CT abdomen. axial view. 768x768 px
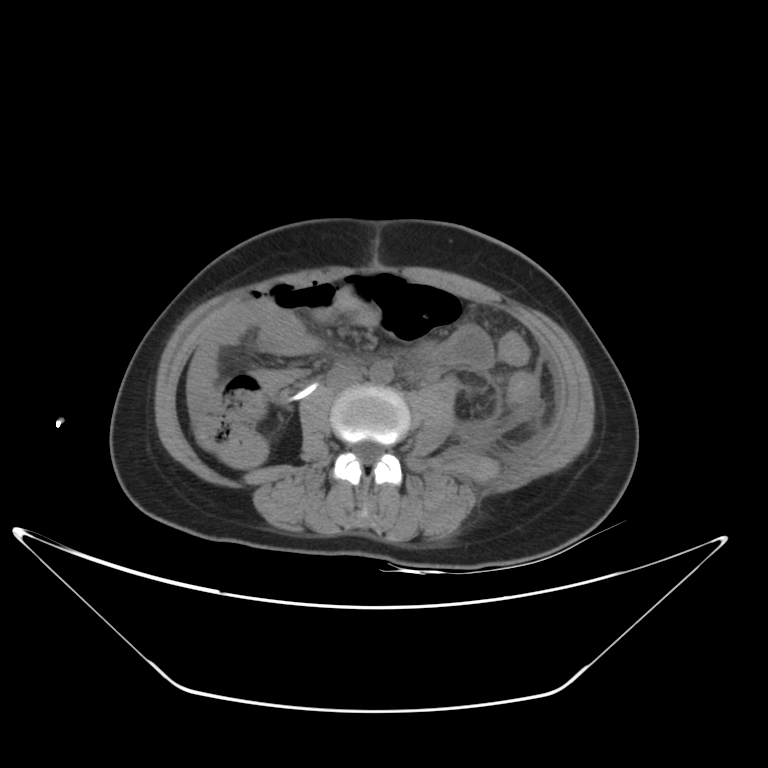
<organs><organ name="aorta" x1="370" y1="361" x2="393" y2="384"/><organ name="inferior vena cava" x1="327" y1="367" x2="362" y2="390"/><organ name="duodenum" x1="276" y1="373" x2="323" y2="404"/></organs>